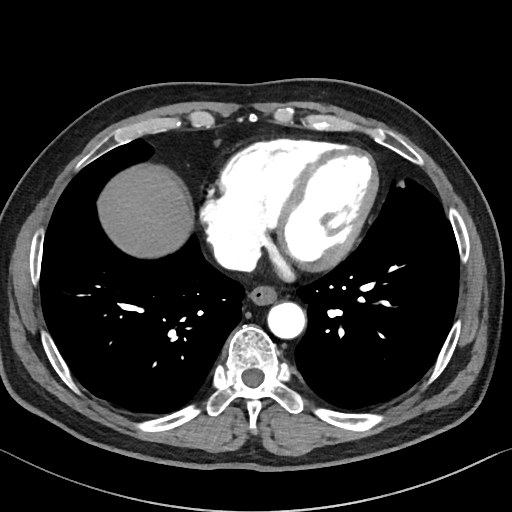

CT, abdomen/pelvis — axial view — scan has 15 labeled organs (that count is for the whole scan; organs this slice misses have no box)
<organs><organ name="liver" x1="99" y1="166" x2="190" y2="255"/><organ name="aorta" x1="268" y1="303" x2="305" y2="339"/><organ name="esophagus" x1="248" y1="287" x2="275" y2="306"/><organ name="inferior vena cava" x1="215" y1="244" x2="257" y2="268"/></organs>